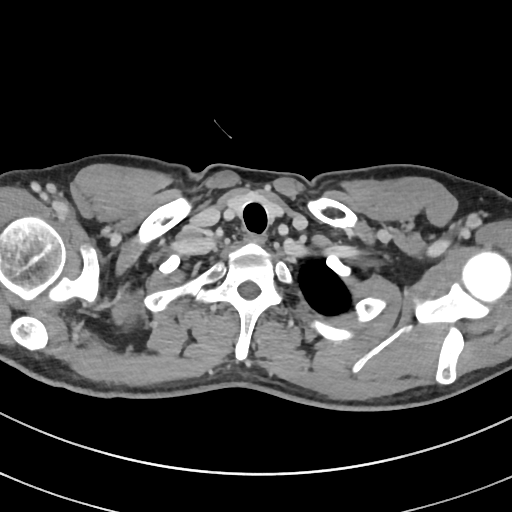

CT of the abdomen extending into the chest, slice through the chest. axial view. 512x512 px. acquired on SOMATOM Force. 15 organs annotated in this scan (that count is for the whole scan; organs this slice misses have no box)
At this level of the chest this dataset labels only the esophagus and the aorta, and each is boxed only where it is labeled; the heart and lungs are never labeled.
Bounding boxes as [x1, y1, x2, y2] in pixel coordinates.
Organ bounding boxes:
- esophagus: [245, 233, 268, 243]